CT, abdomen/pelvis — axial view — abdomen soft-tissue window — 512x512 px
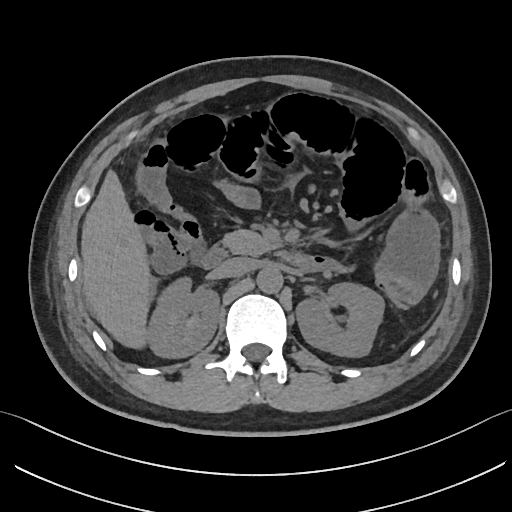

{"organs":{"right kidney":[146,276,219,357],"left kidney":[296,282,384,357],"liver":[81,170,149,348],"aorta":[256,267,282,293],"inferior vena cava":[215,257,254,277],"pancreas":[222,230,278,255],"duodenum":[199,246,302,269]}}